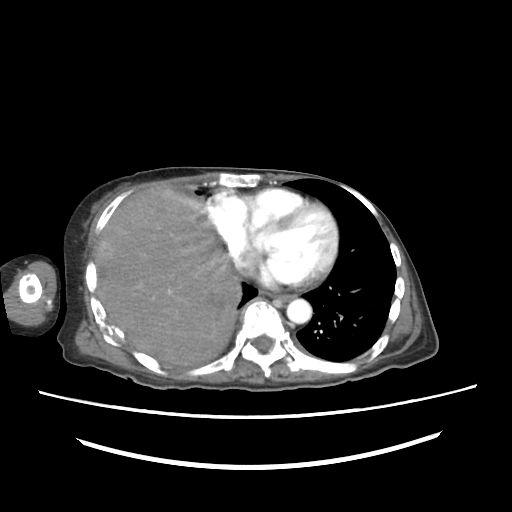 CT abdomen. axial view
<organs><organ name="esophagus" x1="274" y1="292" x2="296" y2="300"/><organ name="liver" x1="96" y1="187" x2="240" y2="366"/><organ name="aorta" x1="286" y1="299" x2="312" y2="323"/></organs>